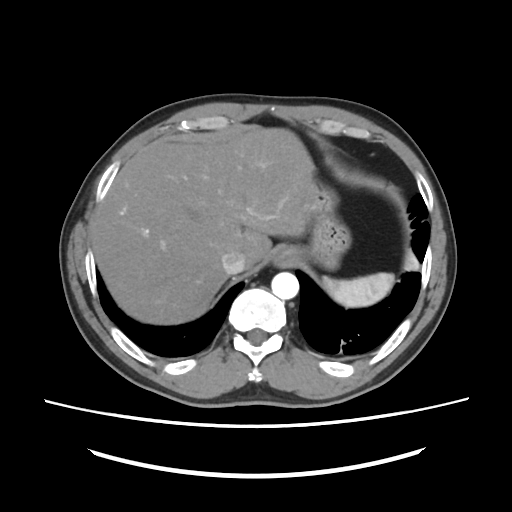

Abdominal CT; axial view; abdomen soft-tissue window; 512x512 px; scan has 15 labeled organs (a whole-scan count: organs this slice does not pass through have no box)
Each box given as x1,y1,x2,y2.
spleen: x1=323, y1=272, x2=393, y2=307
esophagus: x1=272, y1=246, x2=297, y2=265
liver: x1=92, y1=128, x2=314, y2=324
stomach: x1=296, y1=183, x2=351, y2=269
aorta: x1=271, y1=272, x2=298, y2=299
inferior vena cava: x1=221, y1=251, x2=245, y2=273